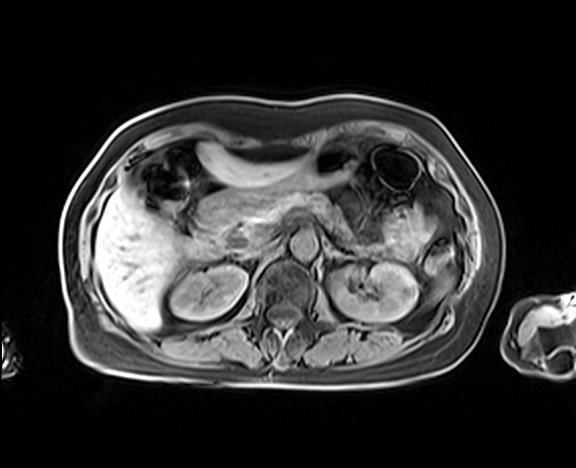 MRI, abdomen · axial view · 576x468 px · Prisma scanner
Boxes are (x1, y1, x2, y2) in pixels.
Organ bounding boxes:
- spleen: (432, 273, 453, 301)
- right kidney: (171, 265, 247, 319)
- left kidney: (330, 263, 418, 322)
- liver: (95, 143, 305, 331)
- stomach: (213, 142, 358, 209)
- aorta: (290, 232, 317, 259)
- inferior vena cava: (244, 240, 275, 256)
- pancreas: (239, 189, 352, 240)
- left adrenal gland: (321, 239, 353, 260)
- duodenum: (194, 195, 238, 256)